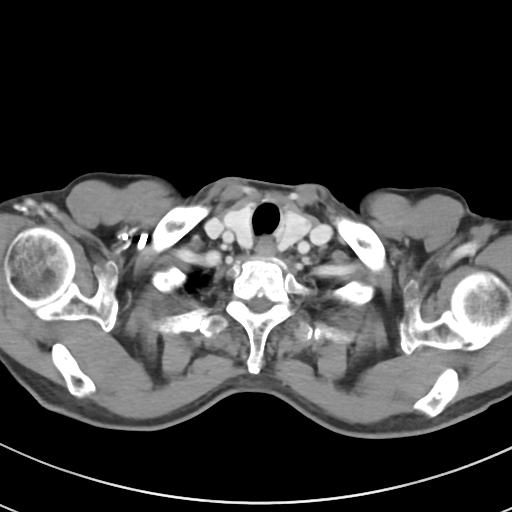

Chest-level slice from an abdominal CT that extends up into the chest — axial view — soft-tissue window
At this level of the chest this dataset labels only the esophagus and the aorta, and each is boxed only where it is labeled; the heart and lungs are never labeled.
Bounding boxes as [x1, y1, x2, y2] in pixel coordinates.
esophagus: [256, 238, 274, 257]